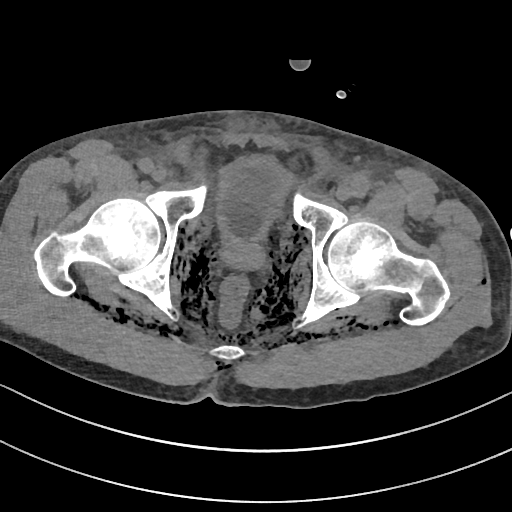 CT abdomen · axial view · abdomen soft-tissue window · 512x512 px
<organs><organ name="bladder" x1="213" y1="155" x2="291" y2="244"/><organ name="prostate/uterus" x1="222" y1="239" x2="262" y2="267"/></organs>